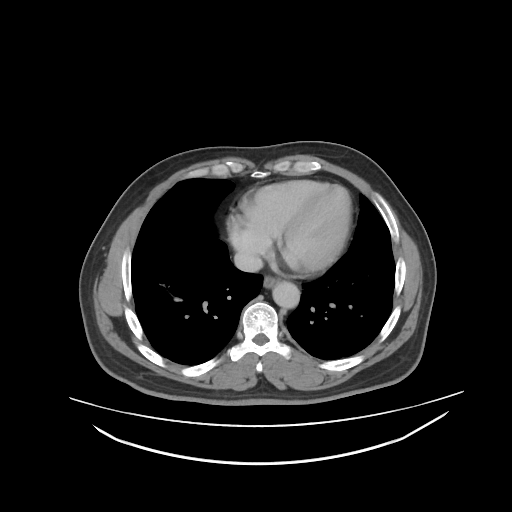
Lower-chest slice from an abdominal CT, just above the liver and spleen; axial view; 45-year-old male patient; 15 organs annotated in this scan (counted over the whole 3D scan, not this slice; an organ is boxed only where this slice passes through it)
The heart and lungs are never labeled in this dataset, so they have no box on this slice.
Each box given as x1,y1,x2,y2.
Organ bounding boxes:
- esophagus: x1=263, y1=275, x2=278, y2=287
- aorta: x1=272, y1=281, x2=300, y2=307
- inferior vena cava: x1=234, y1=252, x2=262, y2=273